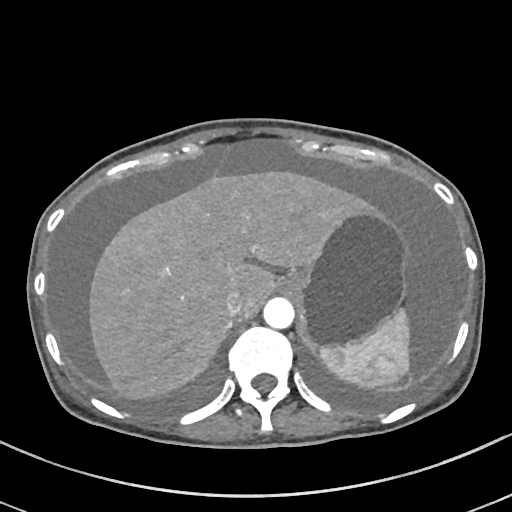

Abdominal CT · axial view · soft-tissue window
Each box given as x1,y1,x2,y2.
spleen: x1=320, y1=305, x2=410, y2=386
liver: x1=89, y1=169, x2=365, y2=400
stomach: x1=285, y1=205, x2=409, y2=351
aorta: x1=263, y1=297, x2=293, y2=328
inferior vena cava: x1=224, y1=288, x2=247, y2=317